CT, abdomen/pelvis · Axial slice 15/105 · 56-year-old female patient
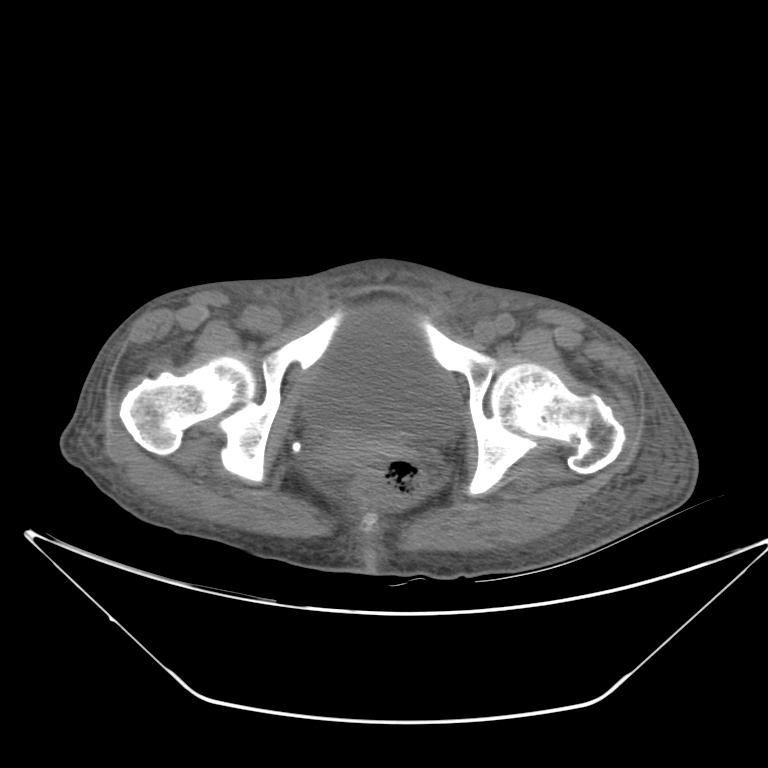
Boxes are (x1, y1, x2, y2) in pixels. The annotated organs in this slice are: bladder at (303, 304, 458, 437), prostate/uterus at (321, 436, 387, 469).